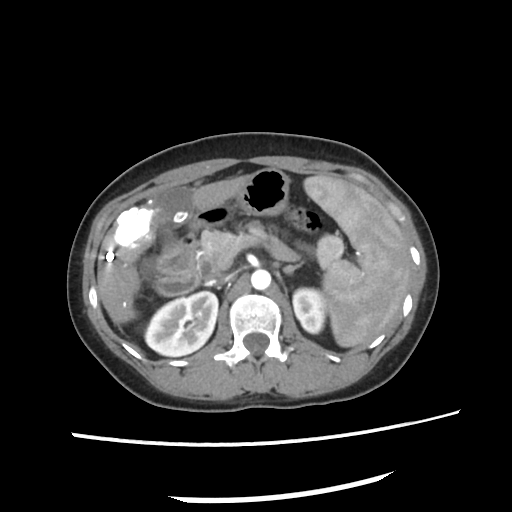

Abdominal CT; axial plane, index 65; W/L 400/40 HU; 512x512 px
Box edges are left/top/right/bottom in pixels.
Organ bounding boxes:
- stomach: left=191, top=169, right=290, bottom=228
- spleen: left=304, top=177, right=411, bottom=349
- aorta: left=252, top=271, right=272, bottom=289
- gall bladder: left=154, top=185, right=192, bottom=247
- inferior vena cava: left=207, top=275, right=228, bottom=286
- right kidney: left=145, top=290, right=219, bottom=356
- pancreas: left=198, top=229, right=342, bottom=278
- left adrenal gland: left=284, top=263, right=302, bottom=274
- duodenum: left=154, top=234, right=200, bottom=294
- left kidney: left=292, top=288, right=325, bottom=332
- liver: left=96, top=175, right=248, bottom=324